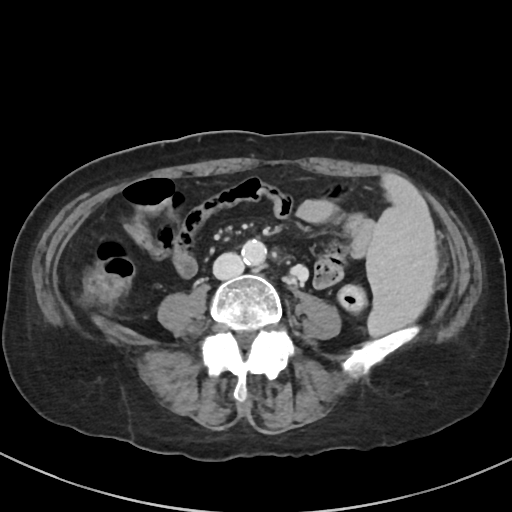
Computed tomography, abdomen — axial plane, index 38 — 512x512 px
Bounding boxes as [x1, y1, x2, y2] in pixel coordinates.
Organ bounding boxes:
- spleen: [366, 173, 437, 336]
- inferior vena cava: [213, 253, 244, 279]
- aorta: [241, 239, 266, 265]